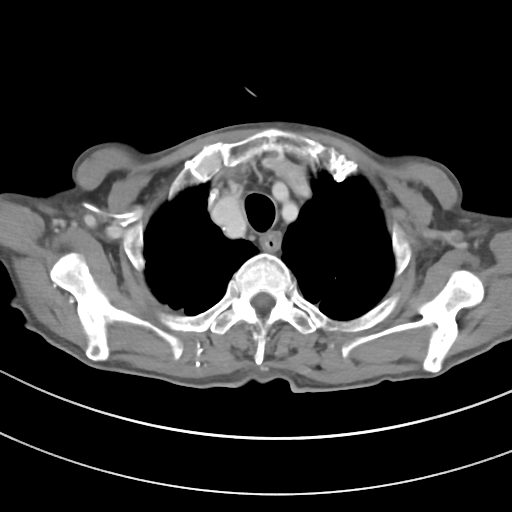 Chest-level slice from an abdominal CT that extends up into the chest — axial view — 512x512 px — 15 organs annotated in this scan (a whole-scan count: organs this slice does not pass through have no box)
On a slice this high in the chest, this dataset labels only the esophagus and the aorta, and each is boxed only where it is labeled; the heart, lungs and other chest structures are not labeled.
Bounding boxes in pixels, one row per box: x1, y1 is the top-left corner and x2, y2 the bottom-right.
| organ | x1 | y1 | x2 | y2 |
|---|---|---|---|---|
| esophagus | 261 | 232 | 280 | 250 |